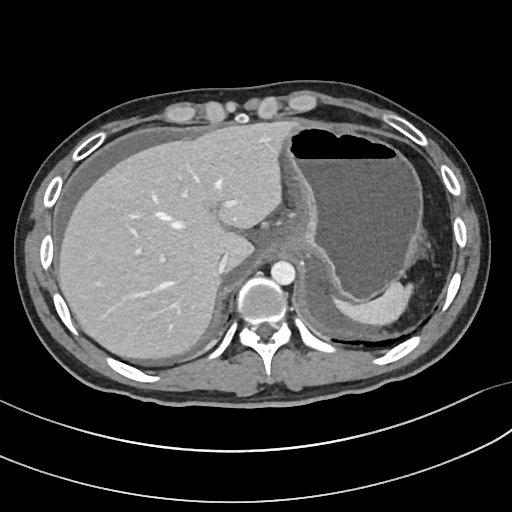

CT, abdomen/pelvis. axial plane, index 205
Boxes: x1:y1:x2:y2 in pixels.
spleen: 331:282:413:327
liver: 57:121:290:360
stomach: 272:121:422:302
aorta: 270:261:295:284
inferior vena cava: 218:253:229:274